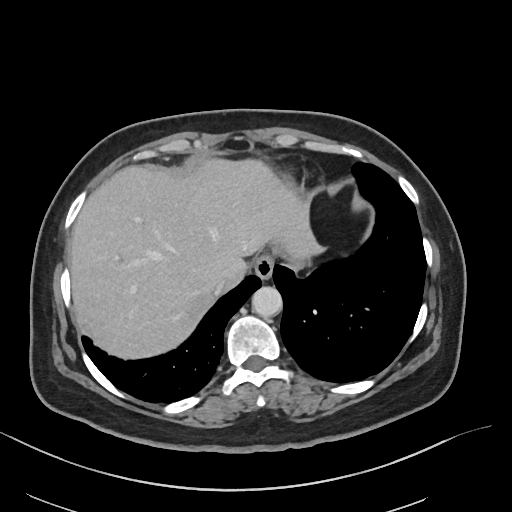 CT, abdomen/pelvis — axial plane, index 205 — soft-tissue window — acquired on SOMATOM Force — scan has 15 labeled organs (counted over the whole 3D scan, not this slice; an organ is boxed only where this slice passes through it)
<organs><organ name="esophagus" x1="254" y1="254" x2="274" y2="279"/><organ name="liver" x1="70" y1="158" x2="322" y2="359"/><organ name="aorta" x1="251" y1="286" x2="282" y2="317"/><organ name="inferior vena cava" x1="214" y1="278" x2="229" y2="294"/></organs>